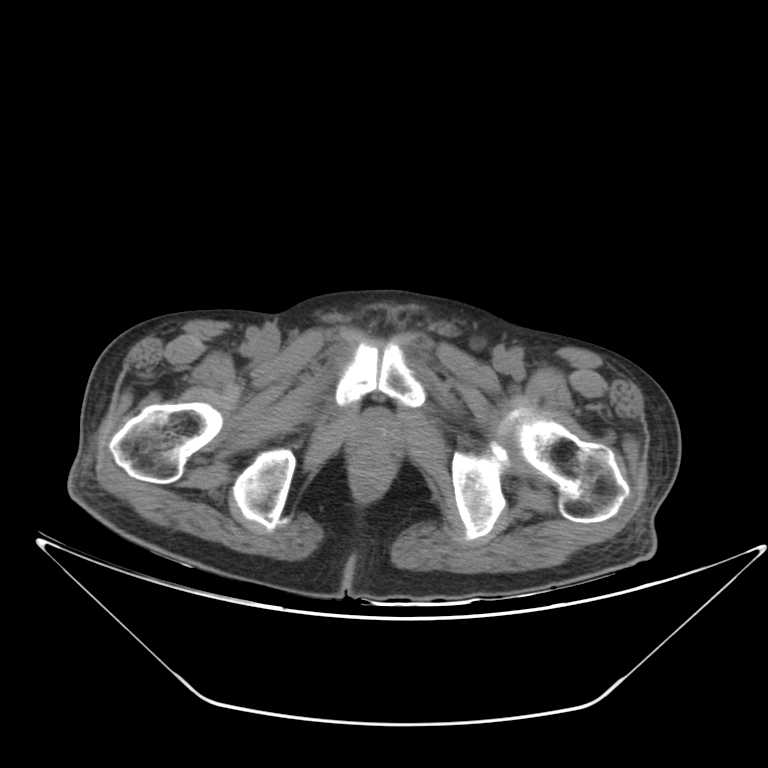
Computed tomography, abdomen · Axial slice 13/90 · scan has 15 labeled organs (counted over the whole 3D scan, not this slice; an organ is boxed only where this slice passes through it)
<organs><organ name="prostate/uterus" x1="350" y1="407" x2="403" y2="453"/></organs>